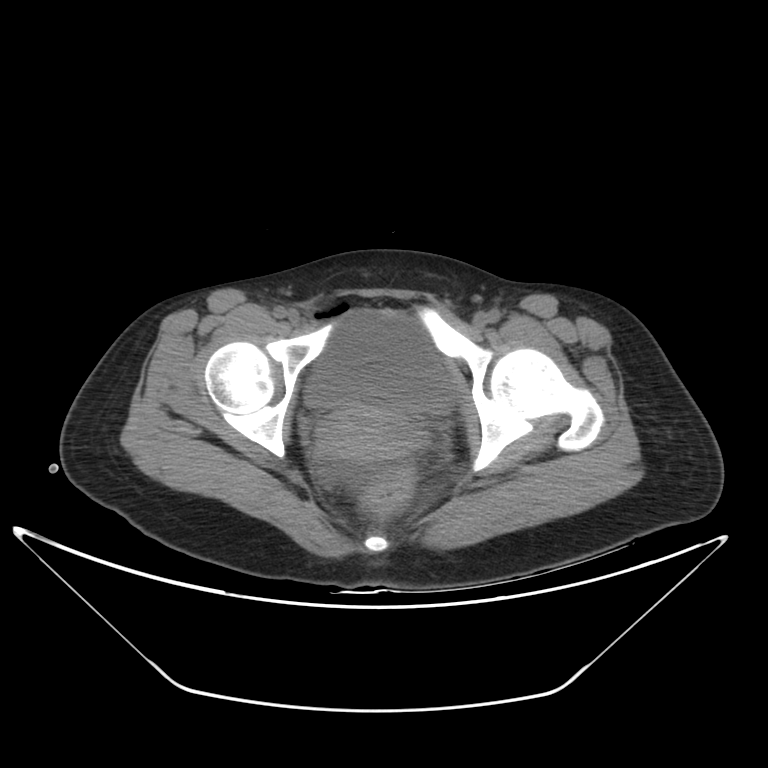

Abdominal CT — axial view — W/L 400/40 HU — 768x768 px — acquired on Brilliance16
Boxes are (x1, y1, x2, y2) in pixels.
Organ bounding boxes:
- bladder: (304, 311, 455, 414)
- prostate/uterus: (316, 407, 423, 460)